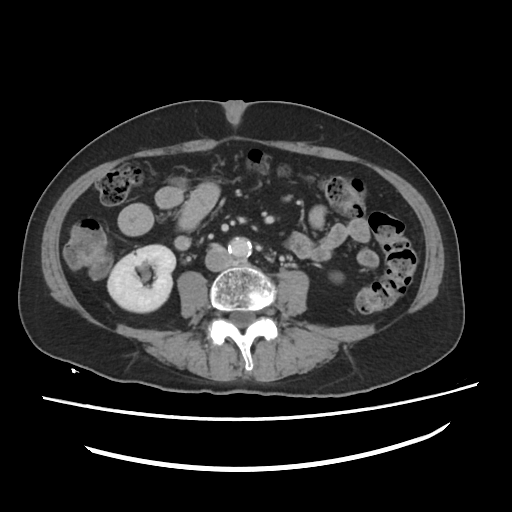

Computed tomography, abdomen · axial view · W/L 400/40 HU · 61-year-old female patient
Bounding boxes as [x1, y1, x2, y2] in pixel coordinates.
right kidney: [107, 244, 175, 312]
inferior vena cava: [205, 246, 232, 268]
left kidney: [329, 273, 344, 281]
aorta: [228, 238, 252, 256]